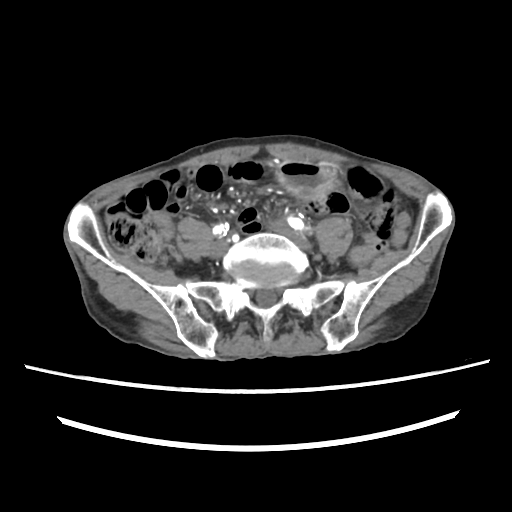
Computed tomography, abdomen · axial plane, index 33 · abdomen soft-tissue window
One row per box, in pixels: columns x1 and y1 give the top-left corner, x2 and y2 the bottom-right.
| organ | x1 | y1 | x2 | y2 |
|---|---|---|---|---|
| stomach | 275 | 162 | 335 | 196 |